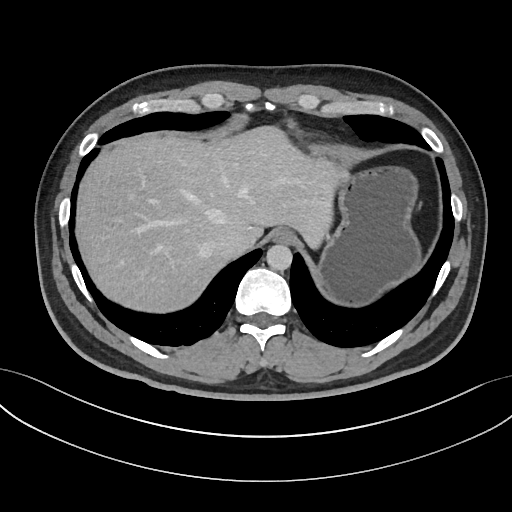
CT, abdomen/pelvis — axial plane, index 223 — soft-tissue window
Coordinates as <box>x1,y1,x2,y2</box> in pixels. 5 labeled organs on this slice — esophagus at <box>270,227,295,243</box>; liver at <box>76,126,340,312</box>; stomach at <box>316,154,420,306</box>; aorta at <box>266,244,292,270</box>; inferior vena cava at <box>212,229,249,258</box>.